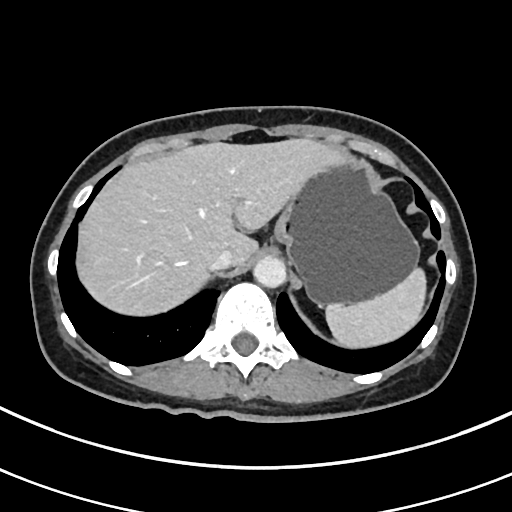
CT abdomen. axial plane, index 166. abdomen soft-tissue window
{"organs":{"spleen":[325,265,426,348],"liver":[76,138,344,314],"stomach":[274,157,419,303],"aorta":[252,255,285,287],"inferior vena cava":[208,249,234,270]}}